Computed tomography, abdomen; axial plane, index 54; soft-tissue window (W 400 / L 40); 768x768 px; 71-year-old male patient
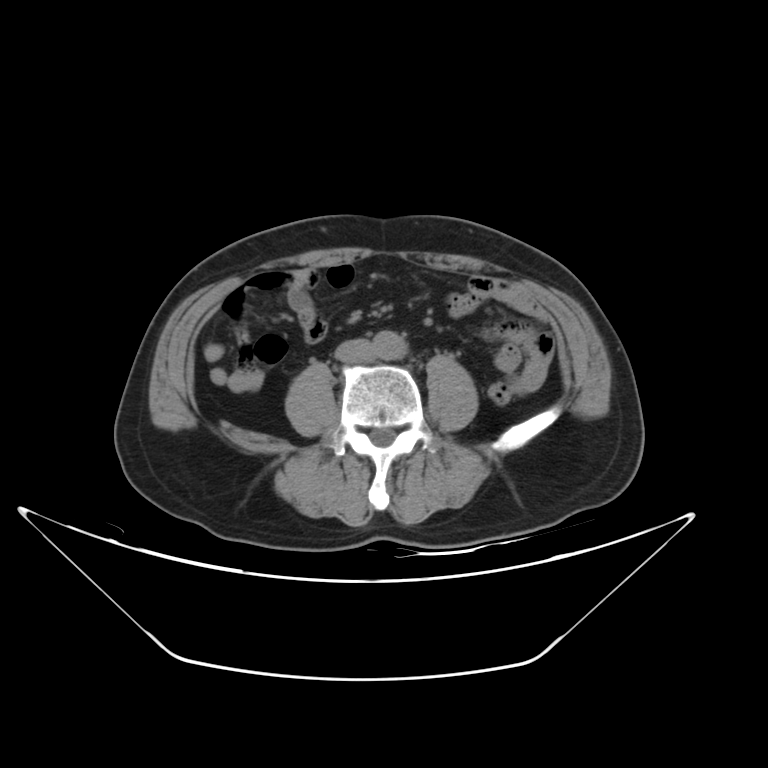 <organs><organ name="aorta" x1="371" y1="331" x2="407" y2="358"/><organ name="inferior vena cava" x1="334" y1="339" x2="372" y2="362"/></organs>